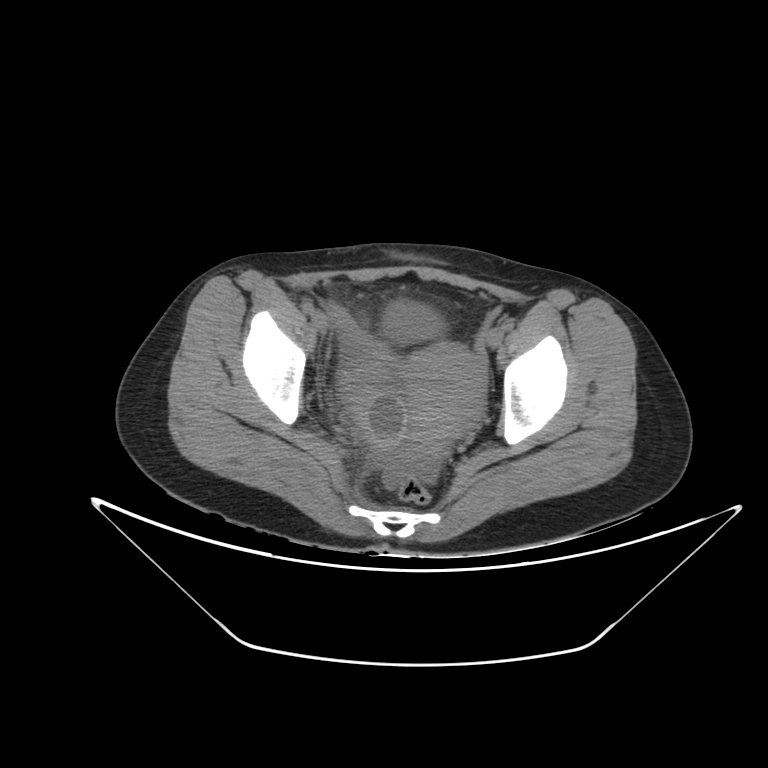 CT, abdomen/pelvis. Axial slice 23/83. 38-year-old female patient
Boxes: x1:y1:x2:y2 in pixels. 2 labeled organs on this slice — bladder at 382:300:445:342; prostate/uterus at 405:344:485:452.